CT, abdomen/pelvis; axial view; acquired on SOMATOM Force
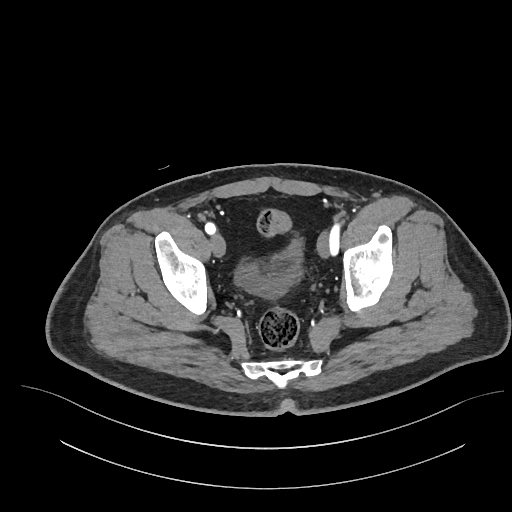 Bounding boxes in pixels, one row per box: x1, y1 is the top-left corner and x2, y2 the bottom-right.
| organ | x1 | y1 | x2 | y2 |
|---|---|---|---|---|
| bladder | 232 | 239 | 302 | 299 |